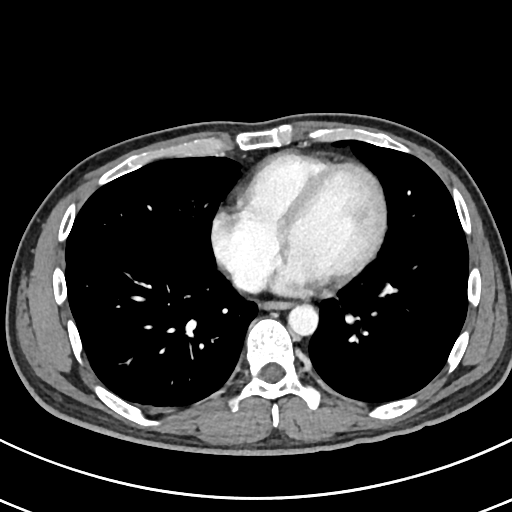 CT of the abdomen reaching into the lower chest, slice just above the liver and spleen; axial view; W/L 400/40 HU; 512x512 px; SOMATOM Force scanner; scan has 15 labeled organs (a whole-scan count: organs this slice does not pass through have no box)
No part of the heart or lungs is labeled in this dataset, so neither has a box here.
Each box given as x1,y1,x2,y2.
esophagus: x1=264, y1=301, x2=290, y2=309
aorta: x1=288, y1=305, x2=318, y2=335
inferior vena cava: x1=234, y1=272, x2=264, y2=291